Abdominal CT · axial view
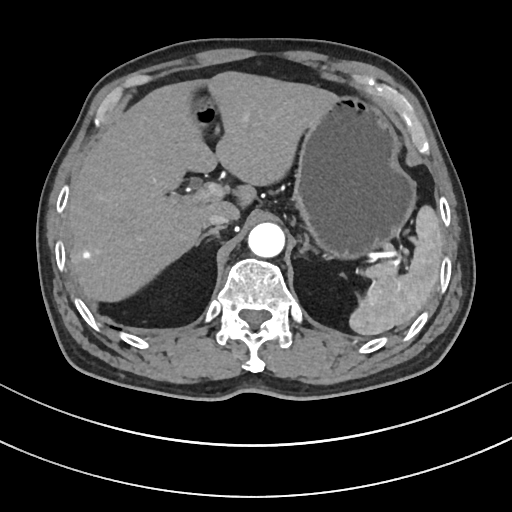
{"organs":{"liver":[66,71,333,301],"right adrenal gland":[196,227,221,245],"left adrenal gland":[300,235,317,252],"pancreas":[367,262,397,278],"inferior vena cava":[203,214,230,227],"aorta":[247,223,284,257],"spleen":[349,205,442,335],"stomach":[293,96,416,259]}}